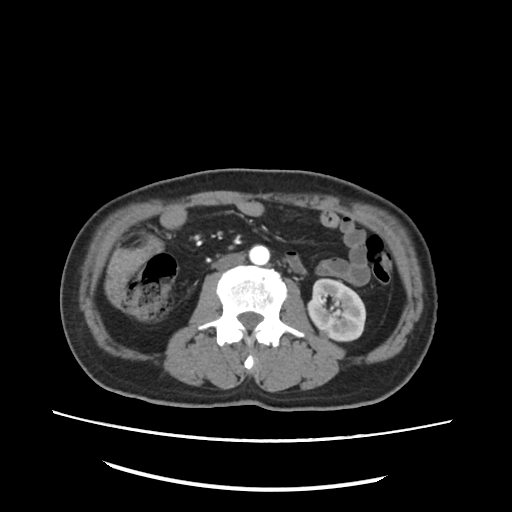
CT, abdomen/pelvis; axial view; soft-tissue window (W 400 / L 40); 512x512 px; 54-year-old male patient
Boxes: x1 y1 x2 y2 (pixel coords, space-separated). The annotated organs in this slice are: left kidney at 309 278 366 341, aorta at 249 245 270 264, inferior vena cava at 215 252 246 270.